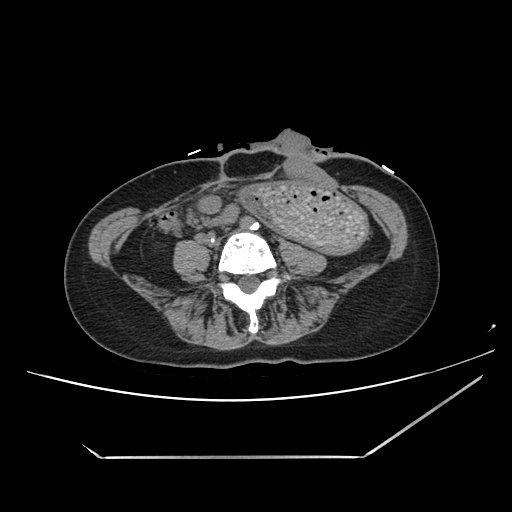
CT, abdomen/pelvis; axial view; 512x512 px; SOMATOM Force scanner
{"organs":{"stomach":[242,182,370,253]}}